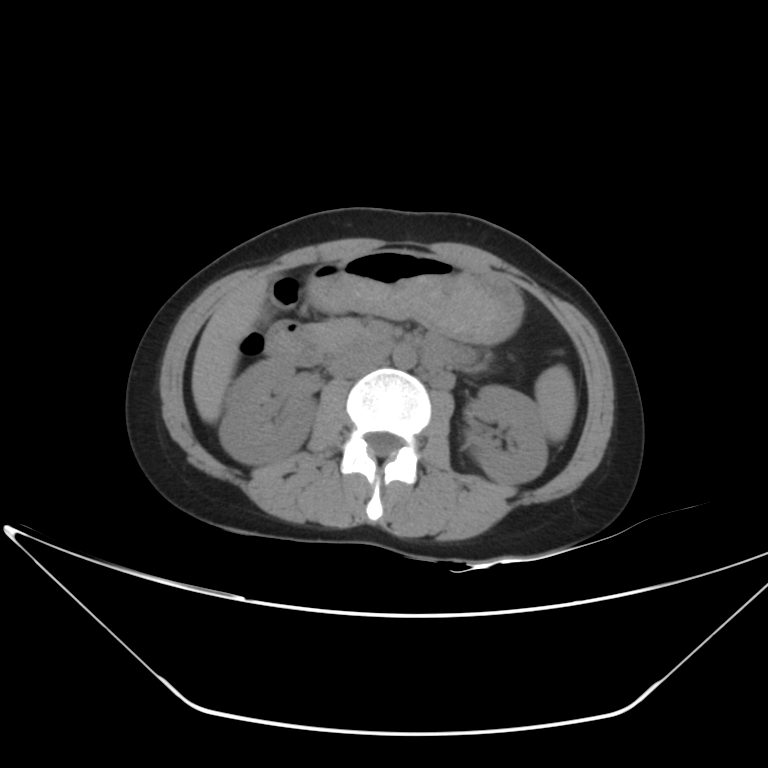
Abdominal CT; axial view; soft-tissue window (W 400 / L 40); 28-year-old female patient
<organs><organ name="spleen" x1="534" y1="365" x2="576" y2="442"/><organ name="right kidney" x1="218" y1="359" x2="315" y2="463"/><organ name="left kidney" x1="467" y1="385" x2="547" y2="483"/><organ name="liver" x1="191" y1="273" x2="271" y2="422"/><organ name="stomach" x1="305" y1="249" x2="523" y2="343"/><organ name="aorta" x1="392" y1="345" x2="416" y2="368"/><organ name="inferior vena cava" x1="328" y1="351" x2="382" y2="376"/><organ name="pancreas" x1="308" y1="317" x2="368" y2="346"/><organ name="duodenum" x1="264" y1="321" x2="392" y2="367"/></organs>